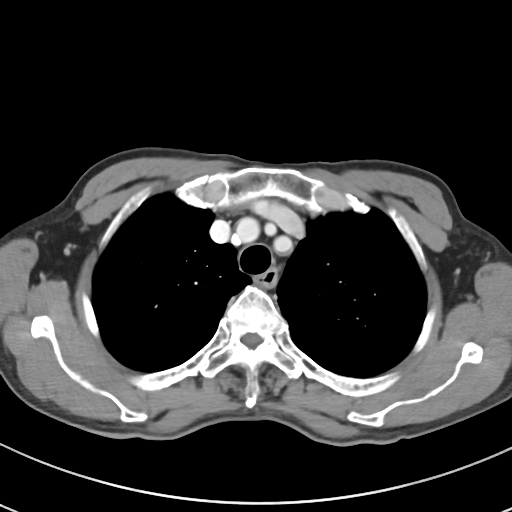

Chest-level CT slice, above the liver and spleen · axial view · 512x512 px · acquired on SOMATOM Force
At this level of the chest no structure but the esophagus and the aorta has a label in this dataset, and those two are boxed only where they are labeled.
Box edges are left/top/right/bottom in pixels.
esophagus: left=254, top=269, right=277, bottom=286